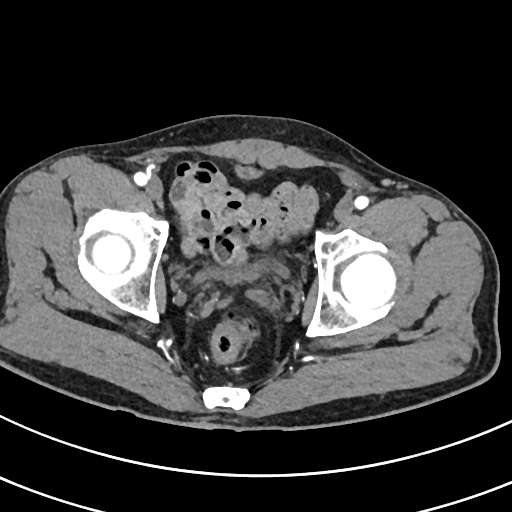

CT, abdomen/pelvis. axial view. soft-tissue window (W 400 / L 40). 512x512 px. 15 organs annotated in this scan (that count is for the whole scan; organs this slice misses have no box)
{"organs":{"bladder":[193,166,287,283]}}